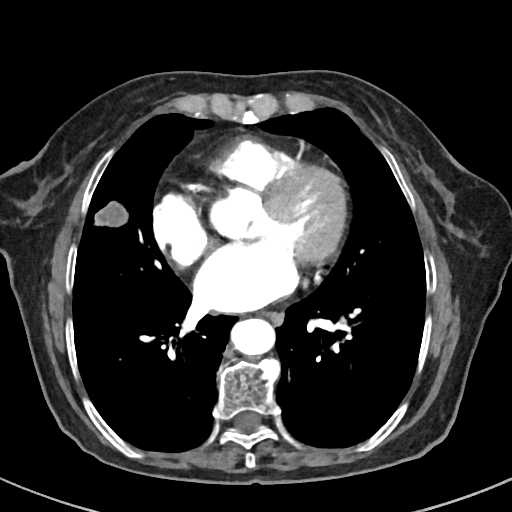
Lower-chest slice from an abdominal CT, just above the liver and spleen — axial view — W/L 400/40 HU — 512x512 px
No part of the heart or lungs is labeled in this dataset, so neither has a box here.
<organs><organ name="esophagus" x1="263" y1="312" x2="284" y2="326"/><organ name="aorta" x1="232" y1="318" x2="276" y2="356"/></organs>